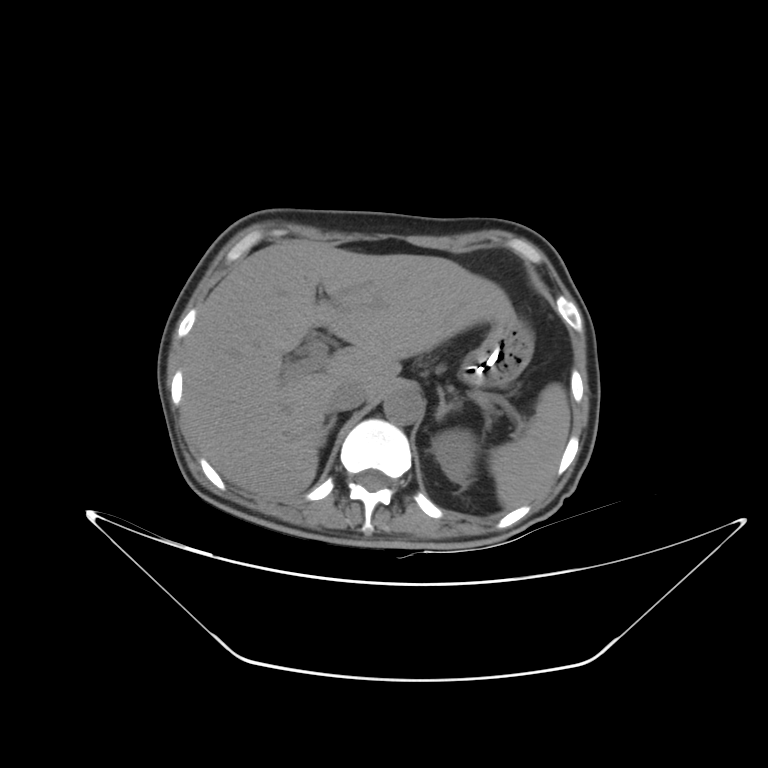

Abdominal CT; axial view; scan has 15 labeled organs (counted over the whole 3D scan, not this slice; an organ is boxed only where this slice passes through it)
Each box given as x1,y1,x2,y2.
Organ bounding boxes:
- left kidney: x1=432, y1=429, x2=477, y2=483
- aorta: x1=384, y1=388, x2=423, y2=425
- right adrenal gland: x1=321, y1=416, x2=336, y2=445
- left adrenal gland: x1=435, y1=392, x2=461, y2=420
- liver: x1=181, y1=239, x2=514, y2=499
- spleen: x1=488, y1=383, x2=570, y2=509
- stomach: x1=458, y1=316, x2=533, y2=387
- inferior vena cava: x1=329, y1=380, x2=367, y2=411